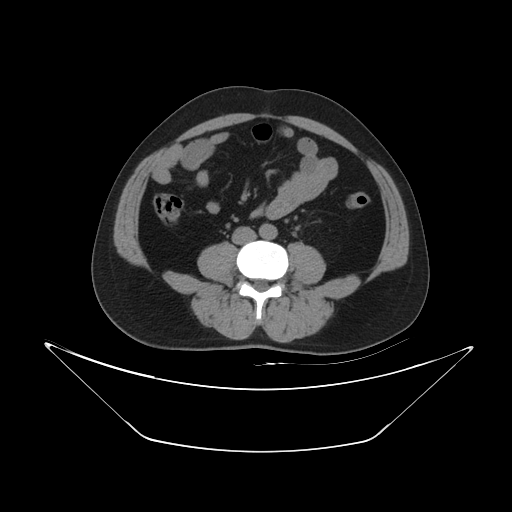

Abdominal CT — Axial slice 44/83 — W/L 400/40 HU — scan has 15 labeled organs (a whole-scan count: organs this slice does not pass through have no box)
Coordinates as <box>x1,y1,x2,y2</box> in pixels.
aorta: <box>259,223,276,239</box>
inferior vena cava: <box>231,227,255,244</box>